CT abdomen · axial view · W/L 400/40 HU
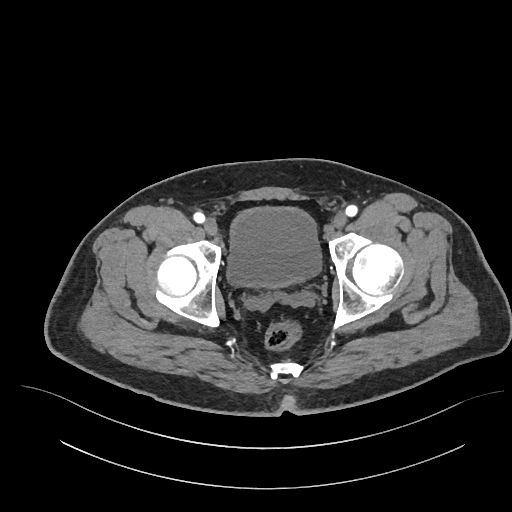

{"organs":{"bladder":[228,208,319,287]}}